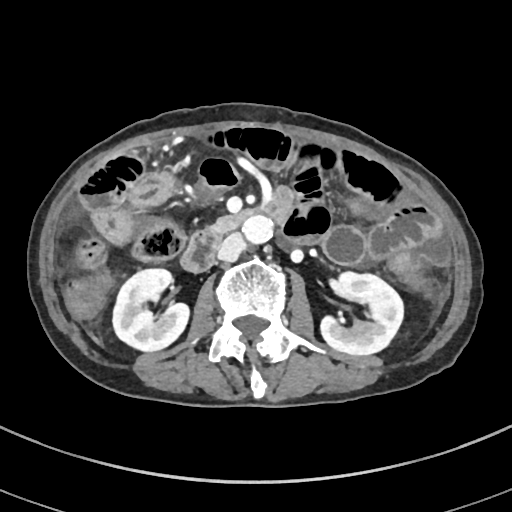

Computed tomography, abdomen · axial view · soft-tissue window (W 400 / L 40)
<organs><organ name="duodenum" x1="180" y1="187" x2="292" y2="272"/><organ name="aorta" x1="242" y1="214" x2="273" y2="244"/><organ name="left kidney" x1="320" y1="271" x2="403" y2="355"/><organ name="inferior vena cava" x1="216" y1="233" x2="245" y2="260"/><organ name="pancreas" x1="209" y1="208" x2="259" y2="234"/><organ name="right kidney" x1="112" y1="269" x2="189" y2="351"/></organs>